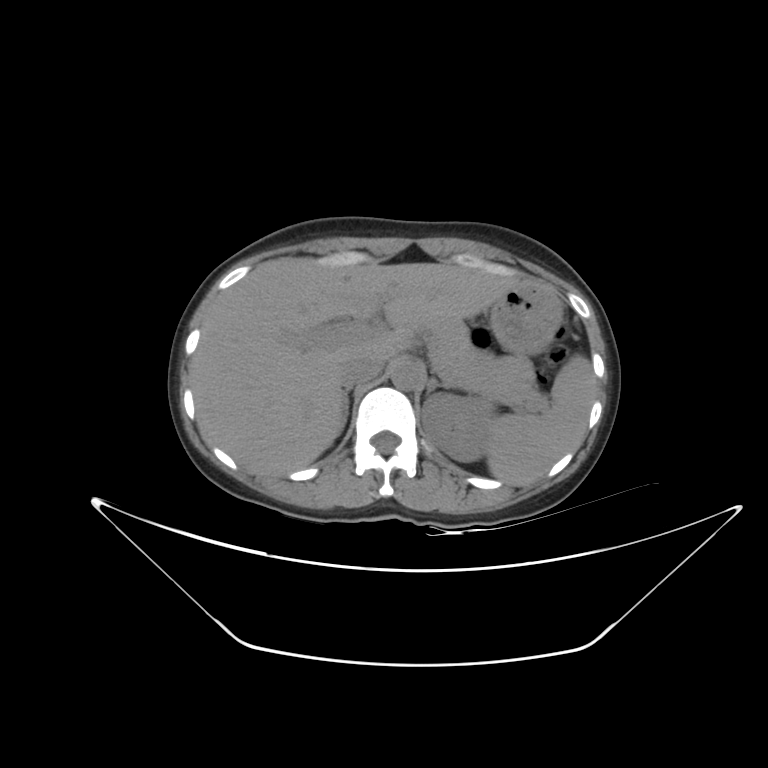
Abdominal CT; axial view; 768x768 px; 38-year-old female patient
Each box given as x1,y1,x2,y2.
spleen: x1=486, y1=355, x2=596, y2=485
left kidney: x1=421, y1=393, x2=493, y2=462
liver: x1=190, y1=258, x2=514, y2=474
stomach: x1=490, y1=284, x2=562, y2=356
aorta: x1=391, y1=360, x2=423, y2=391
inferior vena cava: x1=339, y1=358, x2=384, y2=388
pancreas: x1=428, y1=320, x2=541, y2=409
right adrenal gland: x1=342, y1=389, x2=349, y2=429
left adrenal gland: x1=426, y1=377, x2=448, y2=395